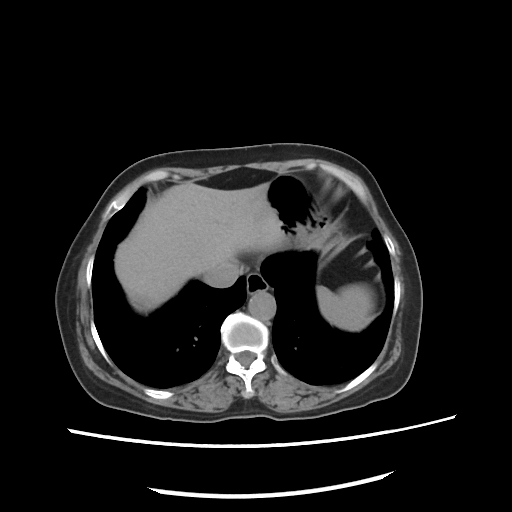

CT, abdomen/pelvis; axial plane, index 80; 512x512 px; acquired on Aquilion ONE; scan has 15 labeled organs (counted over the whole 3D scan, not this slice; an organ is boxed only where this slice passes through it)
<organs><organ name="spleen" x1="316" y1="284" x2="375" y2="331"/><organ name="esophagus" x1="247" y1="273" x2="269" y2="291"/><organ name="liver" x1="115" y1="181" x2="292" y2="310"/><organ name="stomach" x1="266" y1="173" x2="334" y2="251"/><organ name="aorta" x1="247" y1="290" x2="275" y2="320"/><organ name="inferior vena cava" x1="203" y1="261" x2="242" y2="287"/></organs>